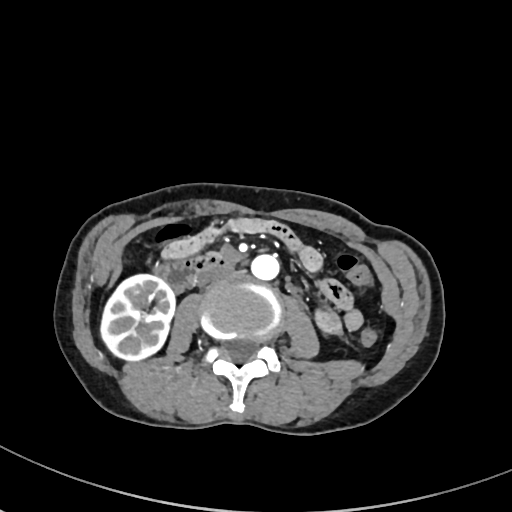 Abdominal CT; axial view; soft-tissue window (W 400 / L 40); 512x512 px
Box edges are left/top/right/bottom in pixels.
Organ bounding boxes:
- right kidney: left=99, top=274, right=175, bottom=361
- liver: left=109, top=255, right=122, bottom=286
- aorta: left=249, top=255, right=281, bottom=279
- inferior vena cava: left=195, top=271, right=225, bottom=287
- duodenum: left=151, top=252, right=233, bottom=290